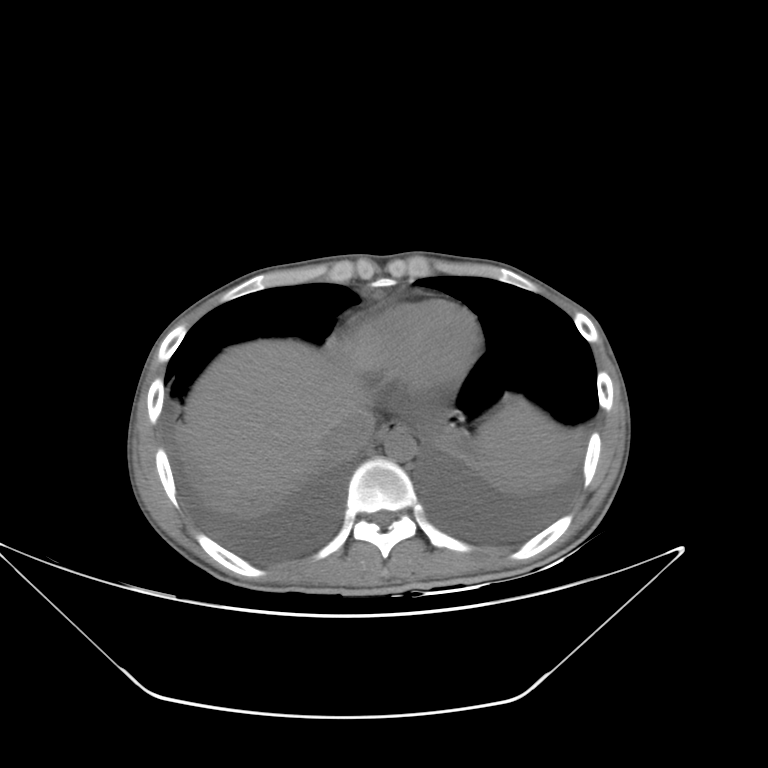

CT abdomen — axial view — 768x768 px
Bounding boxes as [x1, y1, x2, y2] in pixel coordinates. The annotated organs in this slice are: esophagus at [376, 423, 411, 439], aorta at [384, 430, 416, 461], liver at [178, 339, 577, 506], inferior vena cava at [320, 409, 375, 460].